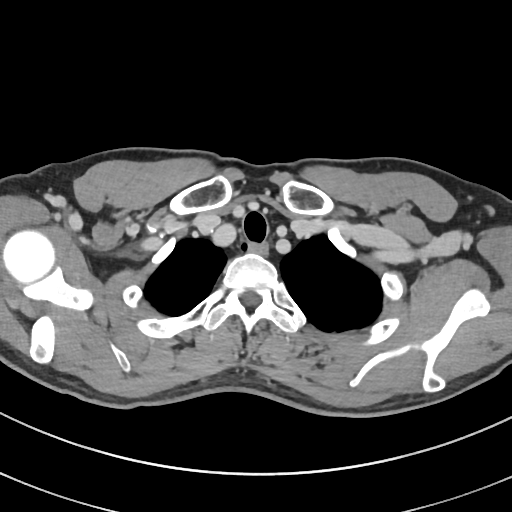 Chest-level slice from an abdominal CT that extends up into the chest; axial view; 512x512 px
At this level of the chest no structure but the esophagus and the aorta has a label in this dataset, and those two are boxed only where they are labeled.
Organ boxes in pixel coordinates; each row gives the top-left (x1, y1) and bottom-right (x2, y2) corners.
| organ | x1 | y1 | x2 | y2 |
|---|---|---|---|---|
| esophagus | 247 | 241 | 267 | 253 |